Abdominal CT reaching into the chest; this slice is in the chest — axial view — W/L 400/40 HU — 512x512 px — Aquilion ONE scanner
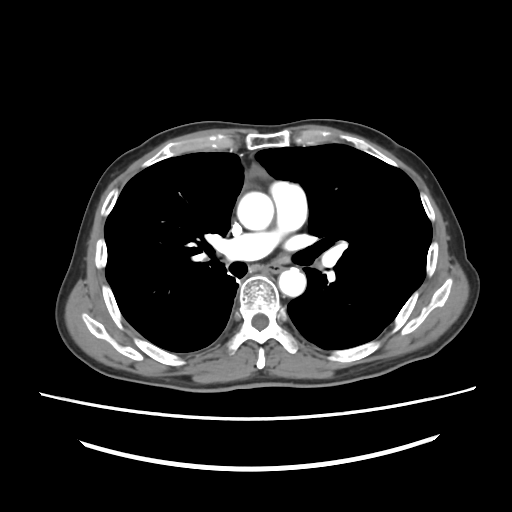 At this level of the chest no structure but the esophagus and the aorta has a label in this dataset, and those two are boxed only where they are labeled.
<organs><organ name="aorta" x1="237" y1="192" x2="274" y2="230"/><organ name="aorta" x1="278" y1="268" x2="306" y2="296"/><organ name="esophagus" x1="266" y1="265" x2="280" y2="274"/></organs>